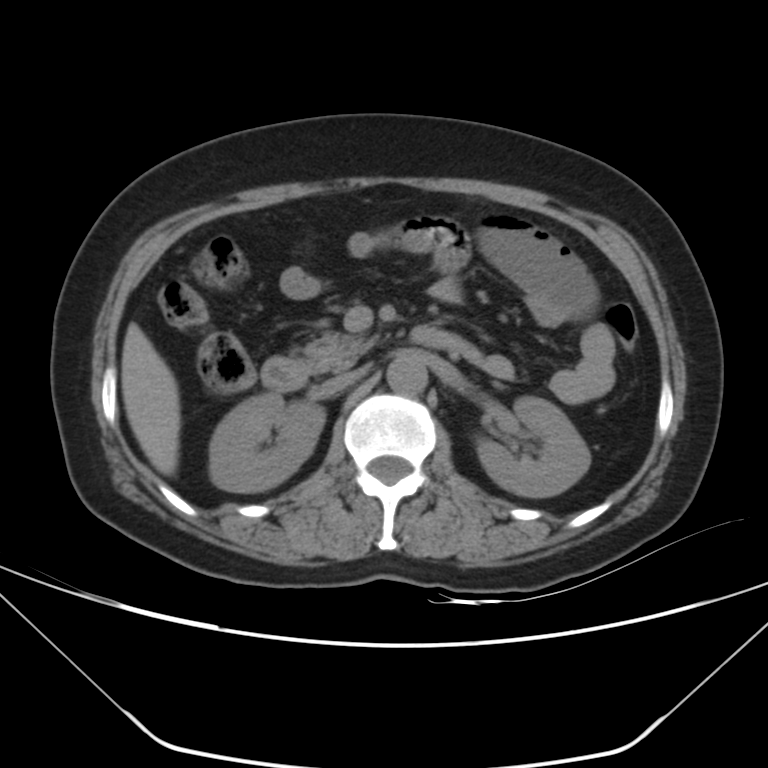

CT abdomen. axial view
Organ boxes in pixel coordinates; each row gives the top-left (x1, y1) and bottom-right (x2, y2) corners.
| organ | x1 | y1 | x2 | y2 |
|---|---|---|---|---|
| inferior vena cava | 322 | 365 | 369 | 394 |
| right kidney | 209 | 393 | 325 | 492 |
| left kidney | 477 | 396 | 589 | 497 |
| liver | 122 | 322 | 180 | 474 |
| pancreas | 301 | 331 | 377 | 372 |
| duodenum | 261 | 326 | 478 | 390 |
| aorta | 386 | 354 | 427 | 394 |